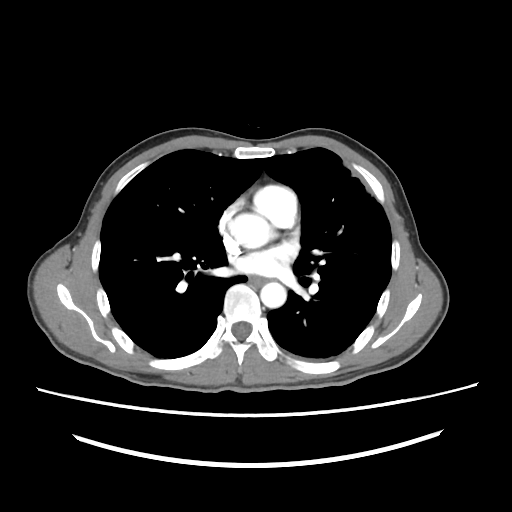

Abdominal CT reaching into the chest; this slice is in the chest. axial view. soft-tissue window. Aquilion ONE scanner. 13 organs annotated in this scan (counted over the whole 3D scan, not this slice; an organ is boxed only where this slice passes through it)
At this level of the chest this dataset labels only the esophagus and the aorta, and each is boxed only where it is labeled; the heart and lungs are never labeled.
<organs><organ name="esophagus" x1="248" y1="275" x2="267" y2="285"/><organ name="aorta" x1="229" y1="215" x2="271" y2="249"/><organ name="aorta" x1="260" y1="282" x2="284" y2="306"/></organs>